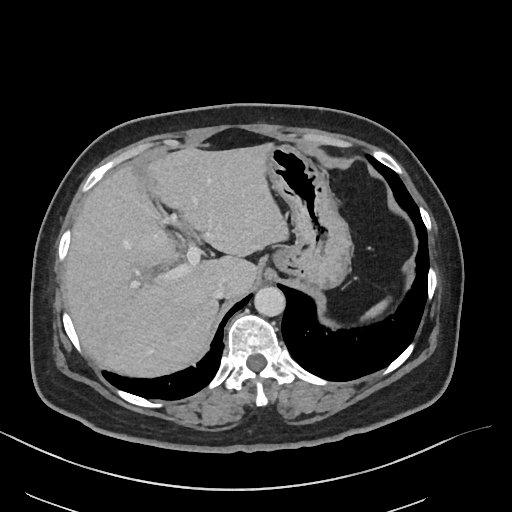
Abdominal CT; axial plane, index 195; soft-tissue window
Boxes are (x1, y1, x2, y2) in pixels. Labeled organs on this slice: liver at (64, 143, 288, 377), stomach at (265, 145, 351, 288), spleen at (362, 299, 388, 319), inferior vena cava at (212, 281, 223, 298), aorta at (254, 286, 285, 316).